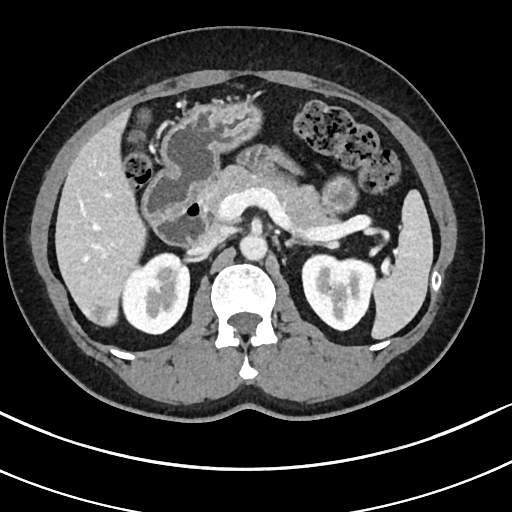

Computed tomography, abdomen; axial plane, index 146; soft-tissue window
Boxes: x1 y1 x2 y2 (pixel coords, space-separated). 11 labeled organs on this slice — spleen at 371 190 433 339; right kidney at 123 253 189 333; left kidney at 302 255 374 330; gall bladder at 137 108 151 126; liver at 55 109 146 326; stomach at 161 100 356 216; aorta at 239 234 267 260; inferior vena cava at 188 225 226 255; pancreas at 197 165 336 232; left adrenal gland at 285 239 311 247; duodenum at 142 168 208 245.